CT of the abdomen extending into the chest, slice through the chest · axial plane, index 252 · 512x512 px · SOMATOM Force scanner
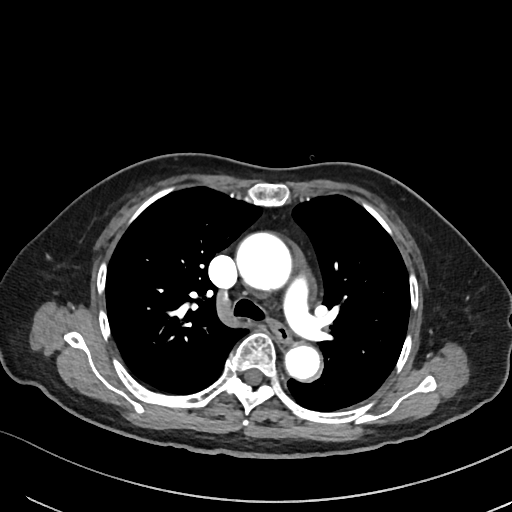

On a slice this high in the chest, this dataset labels only the esophagus and the aorta, and each is boxed only where it is labeled; the heart, lungs and other chest structures are not labeled. Boxes are (x1, y1, x2, y2) in pixels. Labeled organs on this slice: esophagus at (269, 319, 290, 343), aorta at (236, 233, 293, 292), aorta at (285, 343, 320, 380).